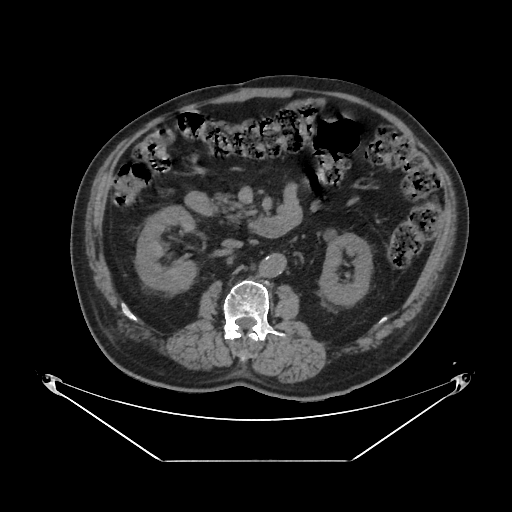 Computed tomography, abdomen. axial view. abdomen soft-tissue window. 512x512 px
Box edges are left/top/right/bottom in pixels.
inferior vena cava: left=221, top=239, right=242, bottom=249
left kidney: left=319, top=233, right=372, bottom=305
aorta: left=259, top=253, right=285, bottom=277
pancreas: left=212, top=193, right=252, bottom=221
right kidney: left=135, top=206, right=197, bottom=294
duodenum: left=184, top=192, right=292, bottom=238